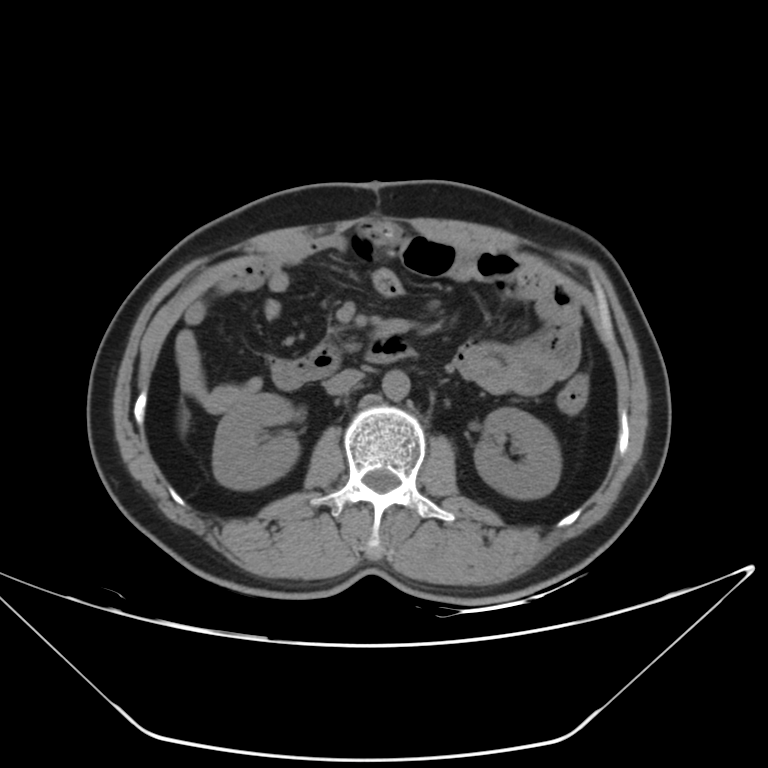 CT, abdomen/pelvis — axial view
One row per box, in pixels: columns x1 and y1 give the top-left corner, x2 and y2 the bottom-right.
| organ | x1 | y1 | x2 | y2 |
|---|---|---|---|---|
| right kidney | 213 | 393 | 300 | 489 |
| left kidney | 474 | 407 | 561 | 499 |
| liver | 180 | 408 | 188 | 430 |
| aorta | 382 | 370 | 410 | 399 |
| inferior vena cava | 325 | 369 | 362 | 394 |
| duodenum | 271 | 337 | 414 | 389 |